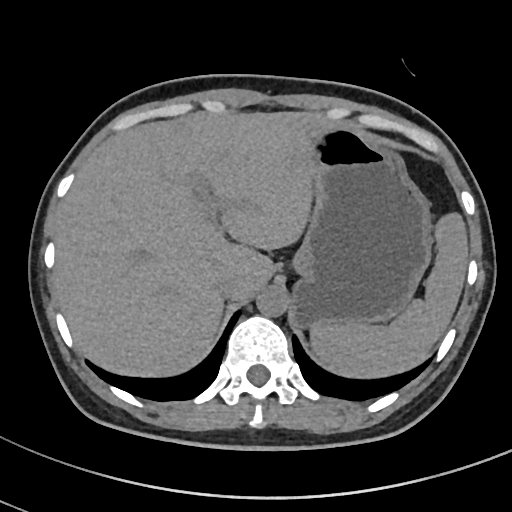

CT, abdomen/pelvis · axial view · soft-tissue window
{"organs":{"spleen":[311,213,467,375],"liver":[54,111,328,376],"stomach":[290,125,433,327],"aorta":[256,286,288,317],"inferior vena cava":[215,273,240,299]}}